Abdominal CT · axial view · 512x512 px · 34-year-old female patient · Aquilion ONE scanner
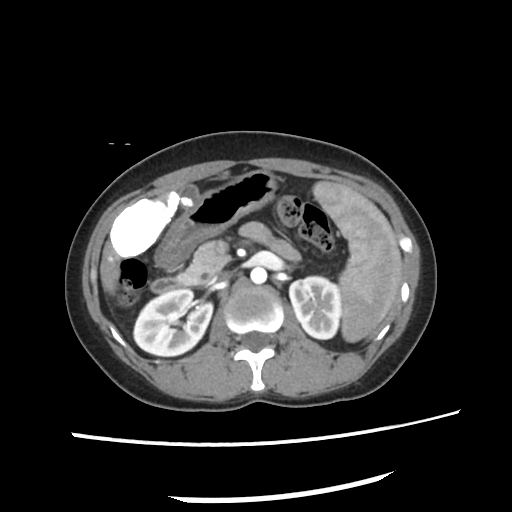

Organ boxes in pixel coordinates; each row gives the top-left (x1, y1) and bottom-right (x2, y2) corners.
| organ | x1 | y1 | x2 | y2 |
|---|---|---|---|---|
| spleen | 313 | 182 | 400 | 343 |
| right kidney | 134 | 288 | 212 | 356 |
| left kidney | 288 | 275 | 340 | 338 |
| gall bladder | 180 | 184 | 198 | 208 |
| liver | 96 | 191 | 178 | 294 |
| stomach | 155 | 169 | 277 | 267 |
| aorta | 249 | 267 | 266 | 283 |
| inferior vena cava | 208 | 272 | 230 | 283 |
| pancreas | 178 | 241 | 231 | 284 |
| duodenum | 152 | 279 | 186 | 292 |